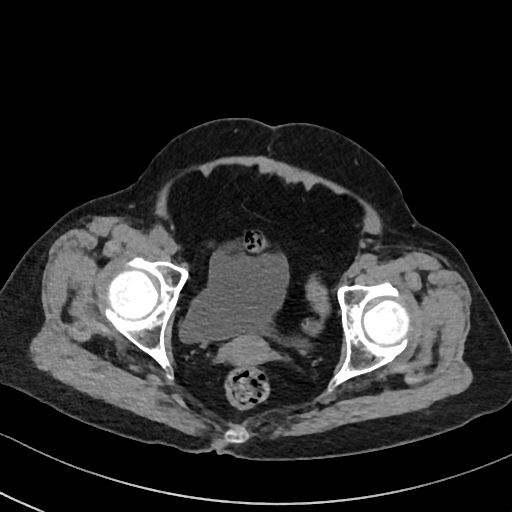
CT, abdomen/pelvis — axial view — soft-tissue window (W 400 / L 40)
<organs><organ name="bladder" x1="180" y1="254" x2="288" y2="342"/><organ name="prostate/uterus" x1="218" y1="334" x2="272" y2="366"/></organs>